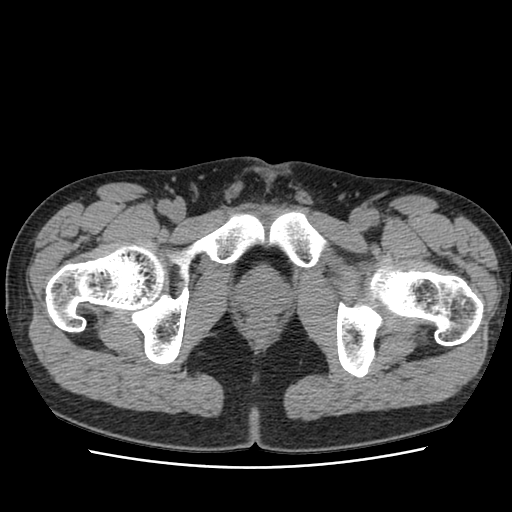
CT, abdomen/pelvis; axial view; W/L 400/40 HU; 15 organs annotated in this scan (that count is for the whole scan; organs this slice misses have no box)
Boxes: x1:y1:x2:y2 in pixels. The annotated organs in this slice are: prostate/uterus at 240:273:284:311.